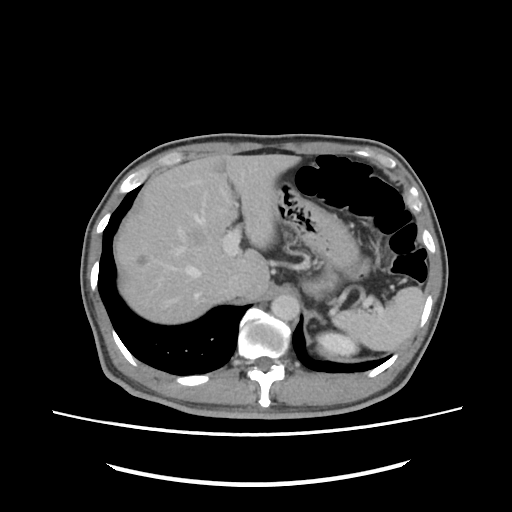 CT, abdomen/pelvis · axial view · 512x512 px · 54-year-old male patient · acquired on Aquilion ONE
Boxes: x1:y1:x2:y2 in pixels.
Organ bounding boxes:
- spleen: 332:286:424:350
- left kidney: 317:332:358:355
- liver: 114:154:300:324
- stomach: 273:182:359:298
- aorta: 271:294:299:320
- inferior vena cava: 226:272:253:296
- left adrenal gland: 317:315:322:321